Abdominal CT · axial view
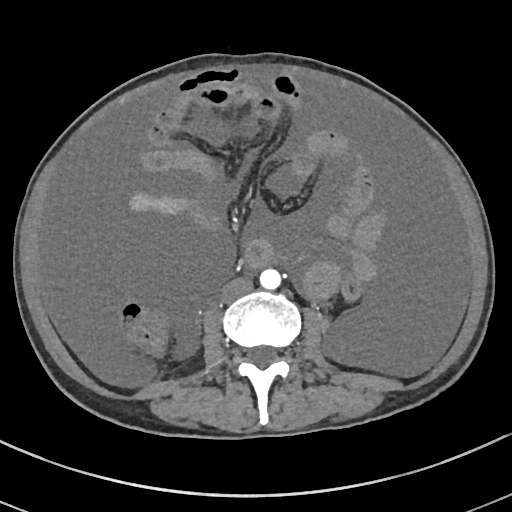 Bounding boxes in pixels, one row per box: x1, y1 is the top-left corner and x2, y2 the bottom-right.
| organ | x1 | y1 | x2 | y2 |
|---|---|---|---|---|
| aorta | 259 | 268 | 281 | 289 |
| inferior vena cava | 221 | 277 | 253 | 302 |